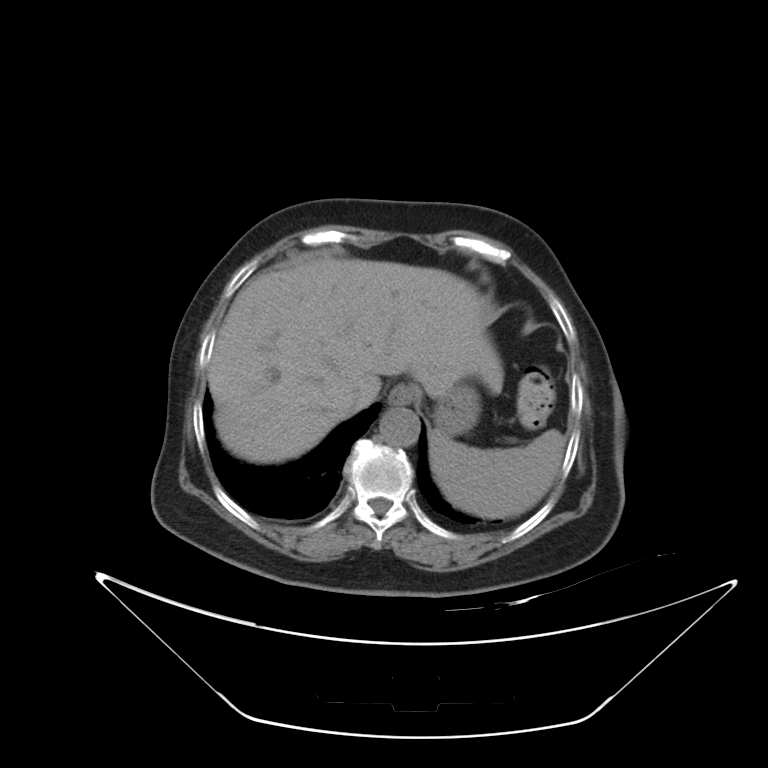
Computed tomography, abdomen · axial view · 15 organs annotated in this scan (that count is for the whole scan; organs this slice misses have no box)
Each box given as x1,y1,x2,y2.
Organ bounding boxes:
- liver: x1=207, y1=258, x2=503, y2=462
- spleen: x1=430, y1=430, x2=564, y2=519
- stomach: x1=436, y1=387, x2=477, y2=436
- esophagus: x1=388, y1=384, x2=418, y2=405
- inferior vena cava: x1=338, y1=384, x2=376, y2=416
- aorta: x1=379, y1=408, x2=419, y2=447